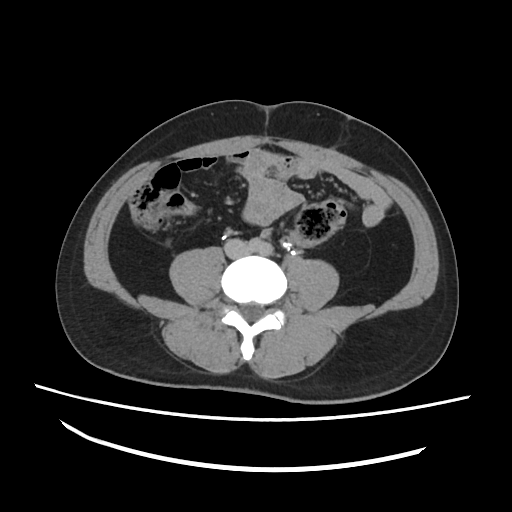
CT abdomen; axial view; soft-tissue window
Box edges are left/top/right/bottom in pixels.
inferior vena cava: left=223, top=239, right=246, bottom=258